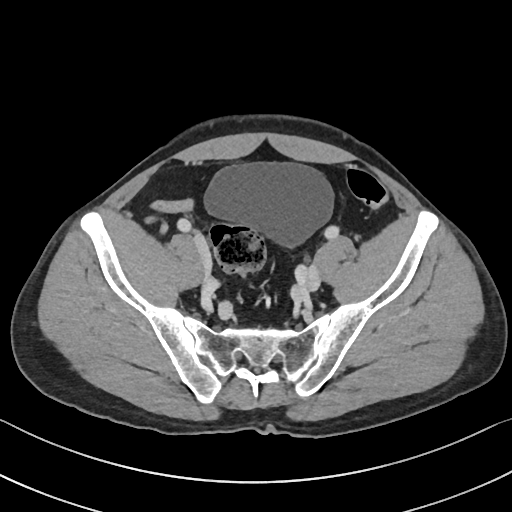

Abdominal CT · axial plane, index 53
Boxes: x1:y1:x2:y2 in pixels.
Organ bounding boxes:
- bladder: 204:162:333:246